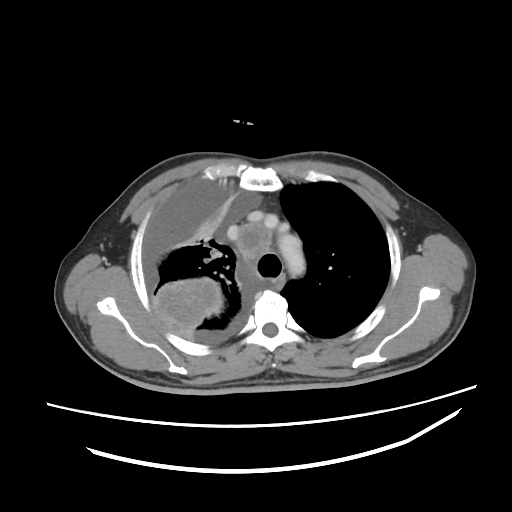 Abdominal CT reaching into the chest; this slice is in the chest · axial view · W/L 400/40 HU · 512x512 px · 49-year-old male patient
At this level of the chest no structure but the esophagus and the aorta has a label in this dataset, and those two are boxed only where they are labeled.
Organ boxes in pixel coordinates; each row gives the top-left (x1, y1) and bottom-right (x2, y2) corners.
| organ | x1 | y1 | x2 | y2 |
|---|---|---|---|---|
| esophagus | 275 | 273 | 285 | 291 |
| aorta | 278 | 233 | 305 | 276 |